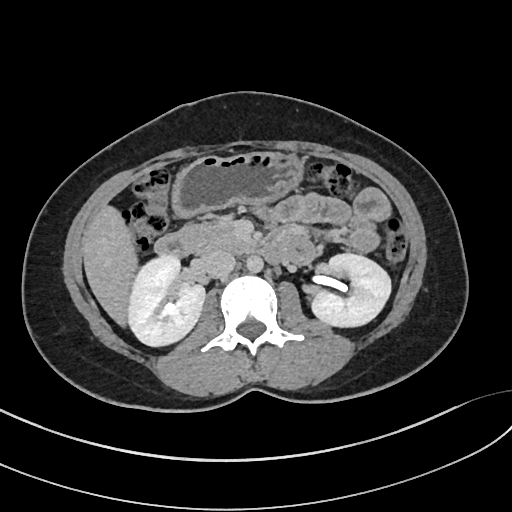 CT abdomen — axial view — abdomen soft-tissue window — 512x512 px — SOMATOM Force scanner
{"organs":{"right kidney":[127,257,205,346],"left kidney":[311,254,391,328],"liver":[82,205,136,330],"stomach":[170,151,304,220],"aorta":[246,256,263,273],"inferior vena cava":[194,250,235,278],"pancreas":[184,216,250,253],"duodenum":[154,229,289,263]}}